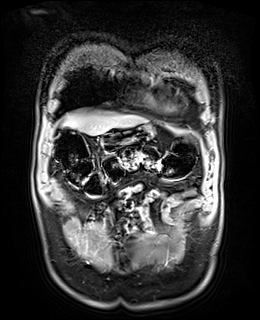
Abdominal MR · coronal view · percentile-normalized
{"organs":{"liver":[65,112,145,135],"stomach":[100,124,152,151]}}